CT, abdomen/pelvis; axial plane, index 64; 40-year-old male patient; 15 organs annotated in this scan (counted over the whole 3D scan, not this slice; an organ is boxed only where this slice passes through it)
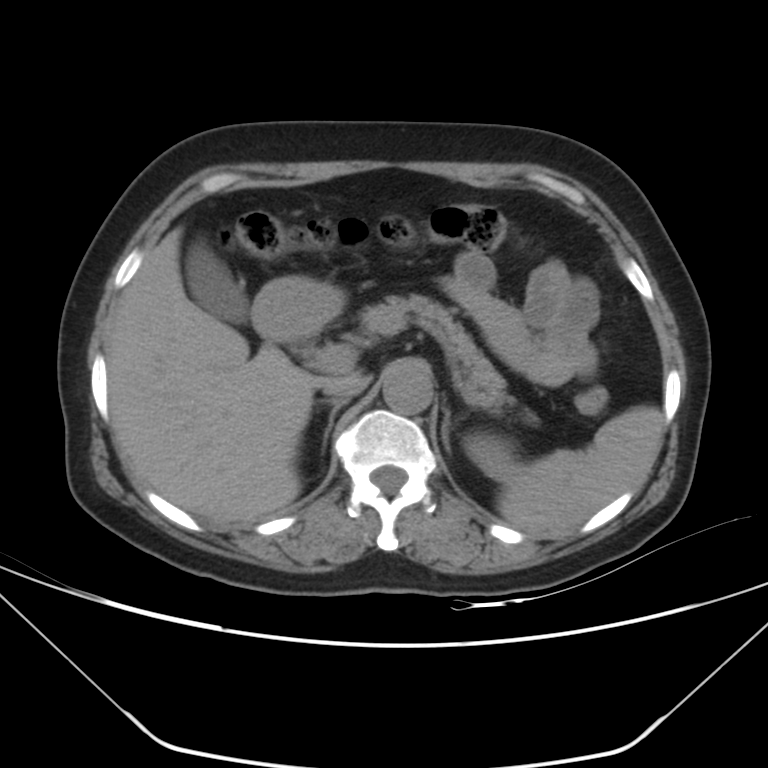 Each box given as x1,y1,x2,y2.
gall bladder: x1=184, y1=238, x2=249, y2=323
left adrenal gland: x1=441, y1=408, x2=450, y2=450
stomach: x1=252, y1=276, x2=343, y2=341
spleen: x1=499, y1=411, x2=664, y2=532
inferior vena cava: x1=322, y1=377, x2=367, y2=400
aorta: x1=383, y1=360, x2=432, y2=415
liver: x1=107, y1=227, x2=361, y2=525
pancreas: x1=362, y1=294, x2=514, y2=412
left kidney: x1=464, y1=438, x2=517, y2=479
right adrenal gland: x1=322, y1=400, x2=348, y2=451